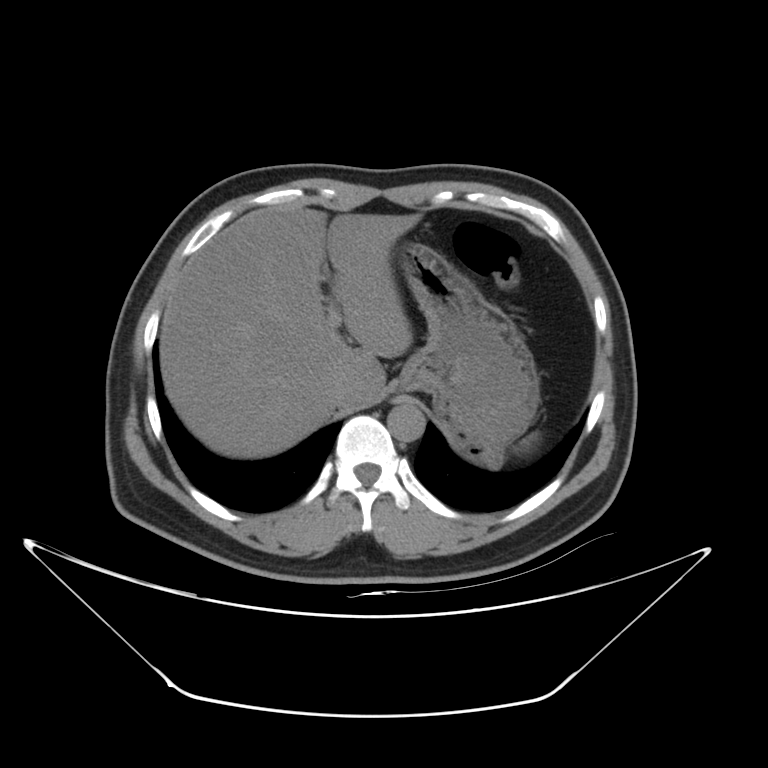
Abdominal CT · Axial slice 88/93 · 768x768 px
<organs><organ name="spleen" x1="522" y1="436" x2="535" y2="446"/><organ name="liver" x1="160" y1="204" x2="420" y2="458"/><organ name="stomach" x1="396" y1="241" x2="540" y2="462"/><organ name="aorta" x1="387" y1="403" x2="426" y2="441"/><organ name="inferior vena cava" x1="325" y1="378" x2="355" y2="405"/></organs>